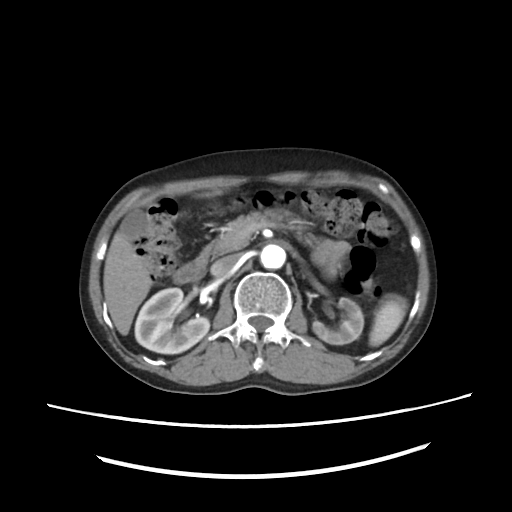

Computed tomography, abdomen; axial view; 67-year-old male patient
<organs><organ name="duodenum" x1="173" y1="250" x2="210" y2="283"/><organ name="liver" x1="103" y1="230" x2="152" y2="333"/><organ name="inferior vena cava" x1="211" y1="254" x2="234" y2="276"/><organ name="right kidney" x1="134" y1="288" x2="208" y2="353"/><organ name="aorta" x1="260" y1="242" x2="286" y2="268"/><organ name="gall bladder" x1="119" y1="211" x2="149" y2="239"/><organ name="pancreas" x1="207" y1="209" x2="317" y2="256"/><organ name="spleen" x1="370" y1="298" x2="405" y2="346"/><organ name="left kidney" x1="312" y1="296" x2="363" y2="345"/></organs>